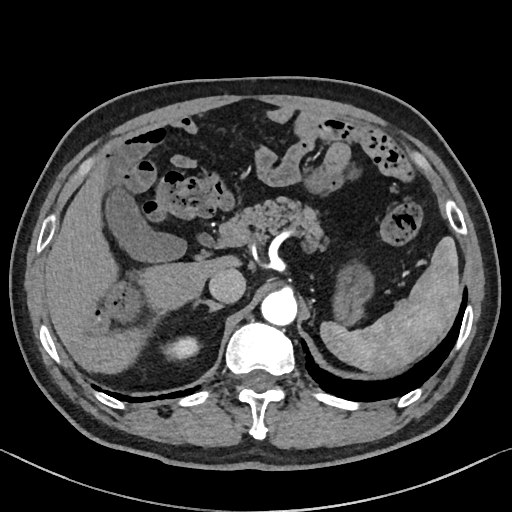 CT, abdomen/pelvis — axial view — soft-tissue window (W 400 / L 40) — SOMATOM Force scanner
Bounding boxes in pixels, one row per box: x1, y1 is the top-left corner and x2, y2 the bottom-right.
| organ | x1 | y1 | x2 | y2 |
|---|---|---|---|---|
| inferior vena cava | 209 | 268 | 245 | 302 |
| spleen | 319 | 237 | 459 | 372 |
| gall bladder | 103 | 188 | 185 | 261 |
| pancreas | 219 | 198 | 325 | 246 |
| aorta | 261 | 289 | 297 | 326 |
| liver | 44 | 159 | 243 | 375 |
| stomach | 332 | 263 | 373 | 326 |
| right kidney | 166 | 338 | 196 | 357 |
| right adrenal gland | 188 | 300 | 223 | 319 |